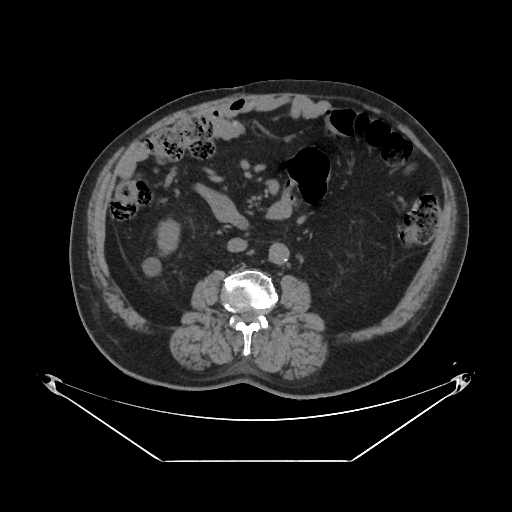

Computed tomography, abdomen; axial view; soft-tissue window (W 400 / L 40)
<organs><organ name="right kidney" x1="158" y1="218" x2="178" y2="252"/><organ name="aorta" x1="269" y1="243" x2="289" y2="264"/><organ name="inferior vena cava" x1="227" y1="238" x2="247" y2="252"/><organ name="duodenum" x1="196" y1="182" x2="246" y2="228"/></organs>